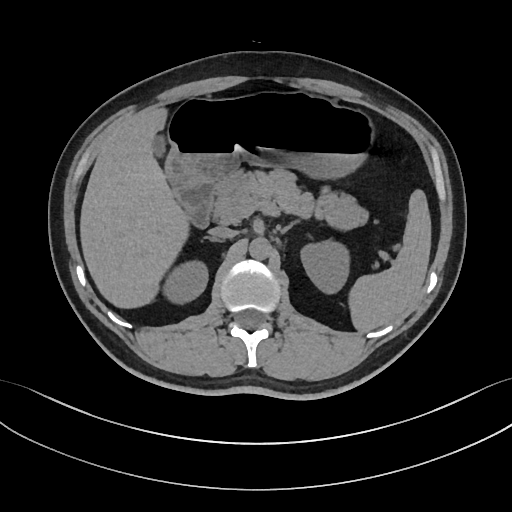

CT, abdomen/pelvis — Axial slice 165/225 — 512x512 px — scan has 15 labeled organs (that count is for the whole scan; organs this slice misses have no box)
Bounding boxes as [x1, y1, x2, y2] in pixel coordinates.
Organ bounding boxes:
- inferior vena cava: [208, 227, 236, 239]
- left kidney: [299, 241, 348, 294]
- gall bladder: [153, 136, 163, 153]
- right kidney: [166, 262, 208, 303]
- stomach: [165, 89, 372, 184]
- pancreas: [211, 170, 367, 228]
- duodenum: [170, 179, 214, 229]
- liver: [80, 108, 187, 307]
- left adrenal gland: [280, 221, 295, 232]
- right adrenal gland: [204, 235, 219, 241]
- spleen: [351, 190, 430, 331]
- aorta: [249, 237, 270, 259]